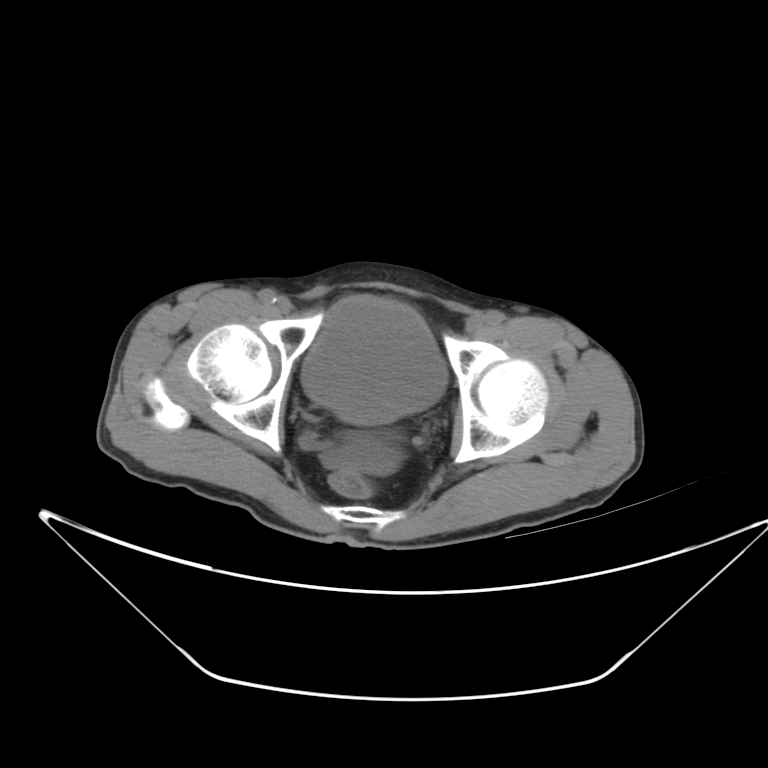 CT abdomen; Axial slice 18/96; W/L 400/40 HU; 768x768 px; 51-year-old male patient
Boxes are (x1, y1, x2, y2) in pixels.
Organ bounding boxes:
- bladder: (301, 293, 446, 423)